Computed tomography, abdomen; axial plane, index 59; W/L 400/40 HU
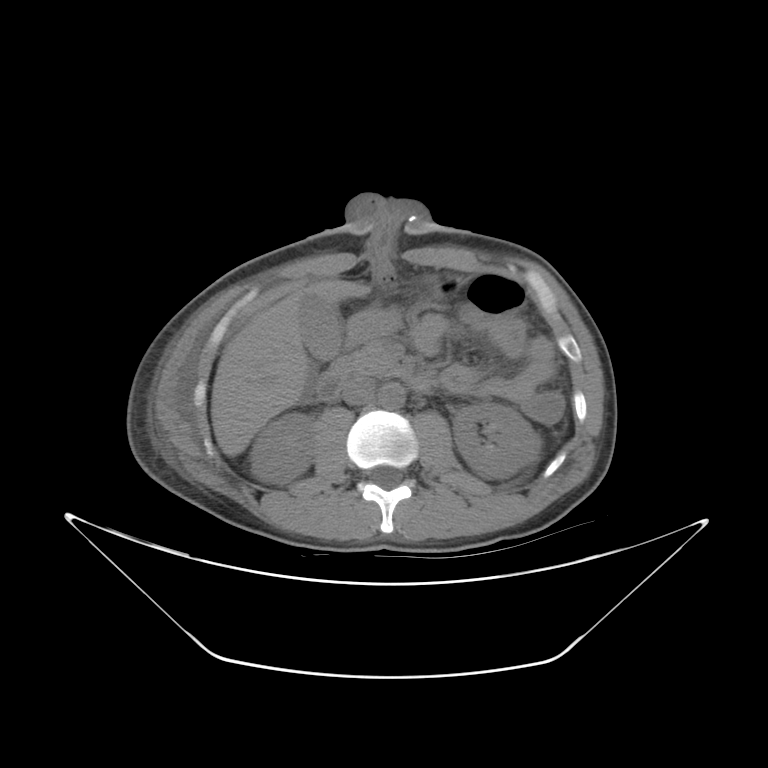

Boxes: x1:y1:x2:y2 in pixels.
Organ bounding boxes:
- left kidney: 453:402:541:478
- aorta: 378:383:405:409
- liver: 210:279:370:455
- right kidney: 250:413:314:484
- pancreas: 330:341:400:378
- stomach: 347:274:458:341
- duodenum: 315:370:435:401
- inferior vena cava: 341:376:375:405
- gall bladder: 298:293:341:358